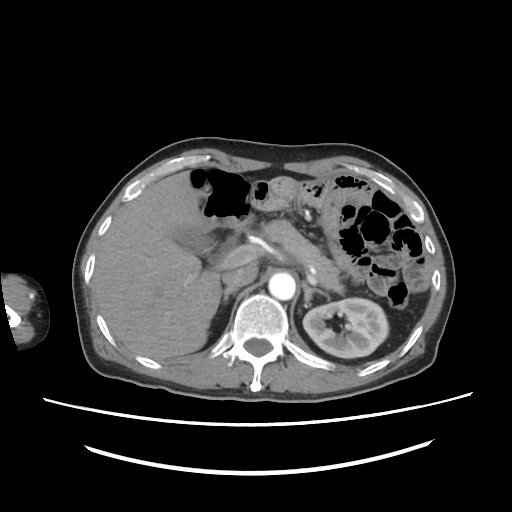

CT abdomen · axial view
Coordinates as <box>x1,y1,x2,y2</box> in pixels. Labeled organs on this slice: left kidney at <box>302,297,388,357</box>, gall bladder at <box>172,227,236,263</box>, liver at <box>92,171,219,359</box>, aorta at <box>269,273,296,300</box>, inferior vena cava at <box>222,264,258,289</box>, pancreas at <box>231,217,346,296</box>, right adrenal gland at <box>220,290,236,304</box>, left adrenal gland at <box>304,280,325,302</box>.